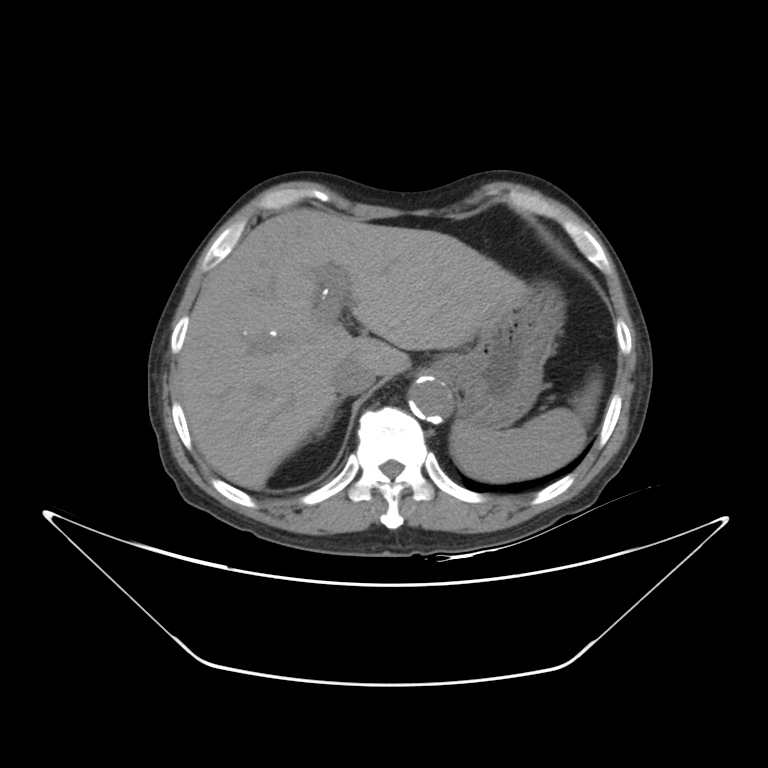
Computed tomography, abdomen — Axial slice 83/94 — 59-year-old male patient
One row per box, in pixels: columns x1 and y1 give the top-left corner, x2 and y2 the bottom-right.
| organ | x1 | y1 | x2 | y2 |
|---|---|---|---|---|
| spleen | 450 | 376 | 601 | 481 |
| liver | 178 | 208 | 524 | 489 |
| stomach | 434 | 282 | 564 | 429 |
| aorta | 408 | 377 | 452 | 421 |
| inferior vena cava | 332 | 356 | 376 | 395 |
| right adrenal gland | 319 | 399 | 341 | 435 |